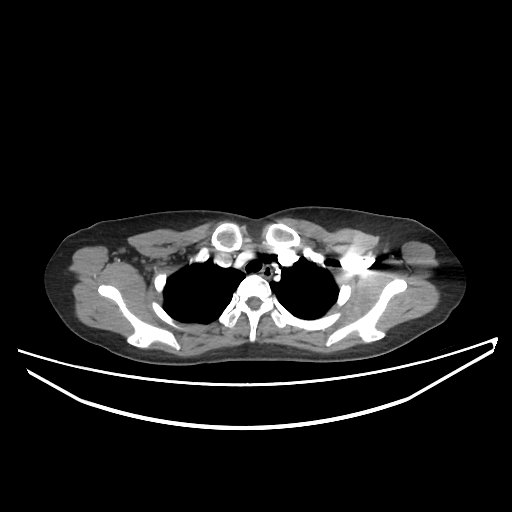 Chest-level slice from an abdominal CT that extends up into the chest · axial view · 37-year-old female patient
At this level of the chest no structure but the esophagus and the aorta has a label in this dataset, and those two are boxed only where they are labeled.
<organs><organ name="esophagus" x1="260" y1="266" x2="272" y2="278"/></organs>